CT abdomen; Axial slice 81/84
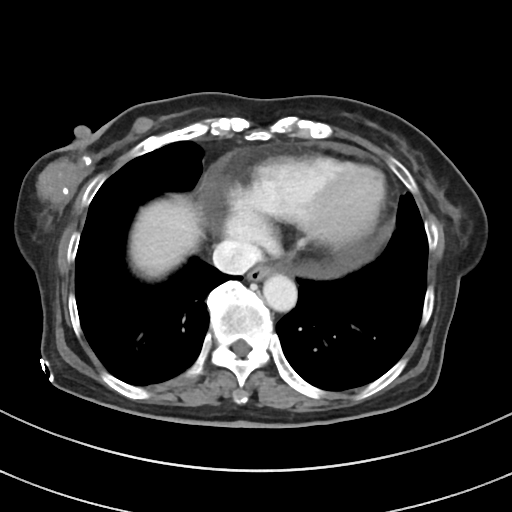
<organs><organ name="esophagus" x1="247" y1="265" x2="276" y2="281"/><organ name="inferior vena cava" x1="213" y1="239" x2="261" y2="274"/><organ name="liver" x1="130" y1="196" x2="201" y2="277"/><organ name="aorta" x1="263" y1="274" x2="297" y2="311"/></organs>